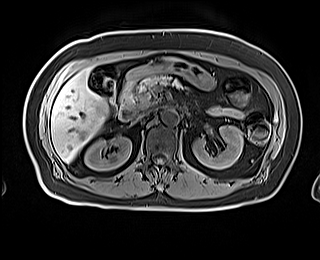 Abdominal MRI · axial view · 1st–99th percentile window · 320x260 px
{"organs":{"right kidney":[84,137,131,170],"left kidney":[192,125,243,169],"gall bladder":[92,72,112,93],"liver":[51,68,107,162],"stomach":[125,60,215,89],"aorta":[161,109,178,124],"inferior vena cava":[134,110,151,121],"pancreas":[126,74,181,110],"duodenum":[118,82,136,121]}}